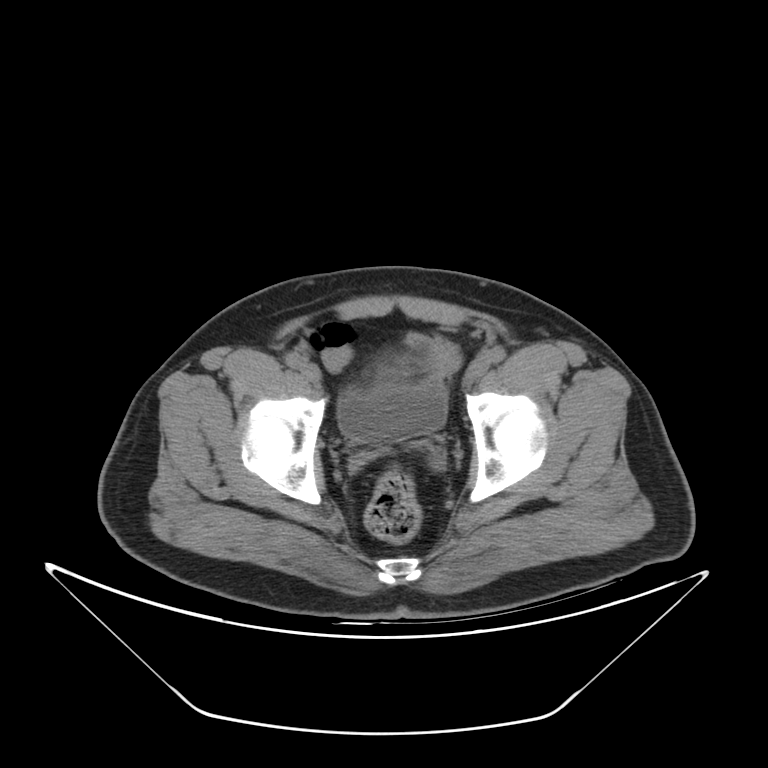

CT, abdomen/pelvis; axial plane, index 18; 768x768 px
<organs><organ name="bladder" x1="337" y1="331" x2="447" y2="442"/></organs>